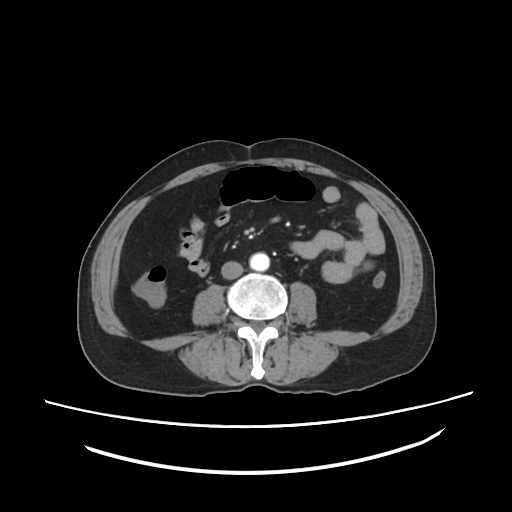
Abdominal CT; axial view; 512x512 px
Coordinates as <box>x1,y1,x2,y2</box> in pixels.
Organ bounding boxes:
- aorta: <box>245,252,270,271</box>
- inferior vena cava: <box>221,261,243,279</box>